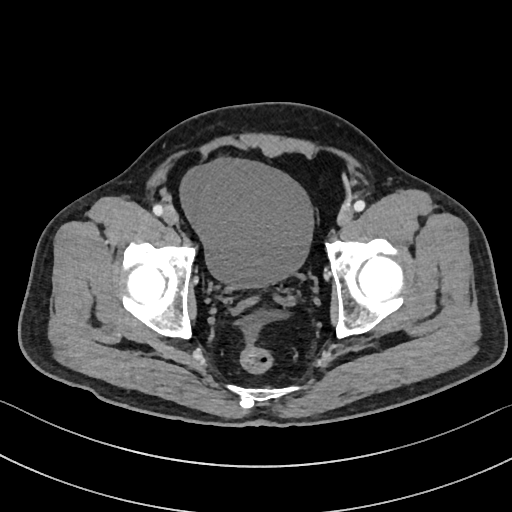

CT abdomen · axial view
<organs><organ name="bladder" x1="181" y1="159" x2="314" y2="289"/></organs>